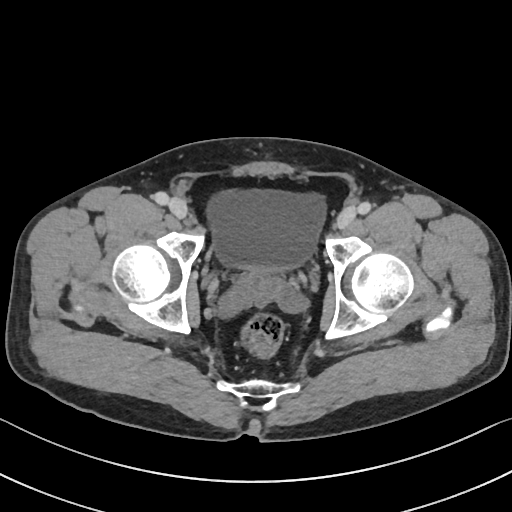

Computed tomography, abdomen; Axial slice 26/291; abdomen soft-tissue window; 512x512 px
Coordinates as <box>x1,y1,x2,y2</box> in pixels. Labeled organs on this slice: bladder at <box>206,188,327,271</box>.